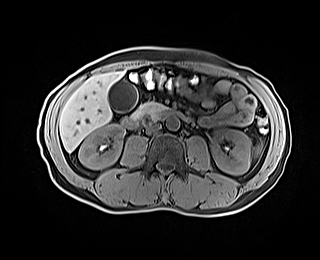 Abdominal MR; axial view; 1st–99th percentile window; 320x260 px
Boxes: x1 y1 x2 y2 (pixel coords, space-separated).
spleen: 257 147 260 153
right kidney: 78 124 124 169
left kidney: 211 127 251 174
gall bladder: 108 80 137 112
liver: 59 70 124 152
aorta: 166 116 179 130
inferior vena cava: 146 123 161 132
pancreas: 131 101 166 120
duodenum: 121 108 191 129